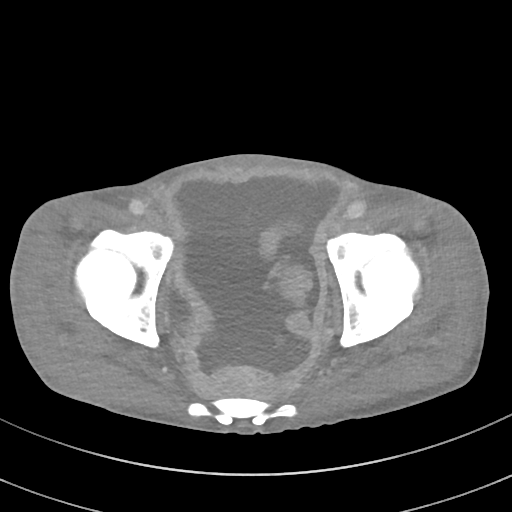

CT abdomen. Axial slice 18/92. soft-tissue window
Boxes: x1:y1:x2:y2 in pixels.
bladder: 163:287:195:332